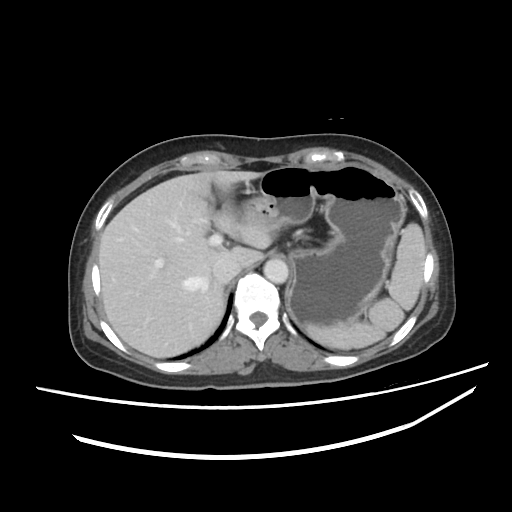 Abdominal CT — Axial slice 76/118 — W/L 400/40 HU — 54-year-old female patient
{"organs":{"spleen":[305,223,425,349],"liver":[98,170,273,357],"stomach":[237,164,406,326],"aorta":[263,259,288,283],"inferior vena cava":[212,257,241,282]}}